Abdominal CT · axial plane, index 83 · acquired on SOMATOM Force
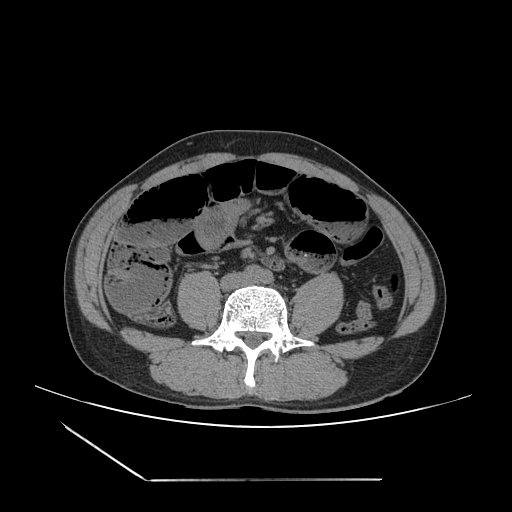

{"organs":{"aorta":[243,265,273,283],"inferior vena cava":[221,274,249,289]}}